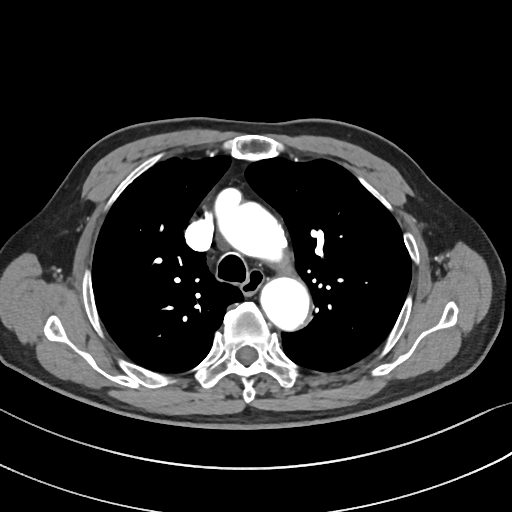 CT of the abdomen extending into the chest, slice through the chest; axial view; soft-tissue window, W/L 400/40
At this level of the chest no structure but the esophagus and the aorta has a label in this dataset, and those two are boxed only where they are labeled.
Boxes are (x1, y1, x2, y2) in pixels.
Organ bounding boxes:
- esophagus: (243, 271, 263, 293)
- aorta: (217, 202, 286, 262)
- aorta: (260, 276, 309, 330)